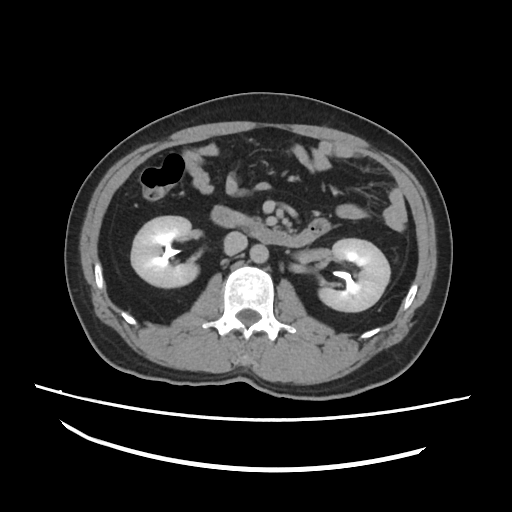

Computed tomography, abdomen · axial view · soft-tissue window · 512x512 px · acquired on Aquilion ONE
Organ boxes in pixel coordinates; each row gives the top-left (x1, y1) and bottom-right (x2, y2) corners.
| organ | x1 | y1 | x2 | y2 |
|---|---|---|---|---|
| right kidney | 132 | 215 | 196 | 287 |
| left kidney | 318 | 238 | 390 | 312 |
| aorta | 251 | 244 | 267 | 262 |
| inferior vena cava | 224 | 230 | 246 | 254 |
| pancreas | 232 | 211 | 257 | 224 |
| duodenum | 211 | 206 | 328 | 246 |